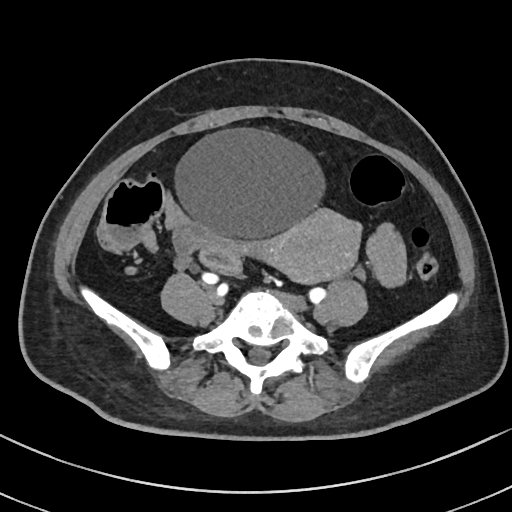

CT, abdomen/pelvis; axial view; soft-tissue window (W 400 / L 40); SOMATOM Force scanner; 15 organs annotated in this scan (that count is for the whole scan; organs this slice misses have no box)
<organs><organ name="bladder" x1="176" y1="127" x2="324" y2="239"/><organ name="prostate/uterus" x1="243" y1="206" x2="361" y2="284"/></organs>